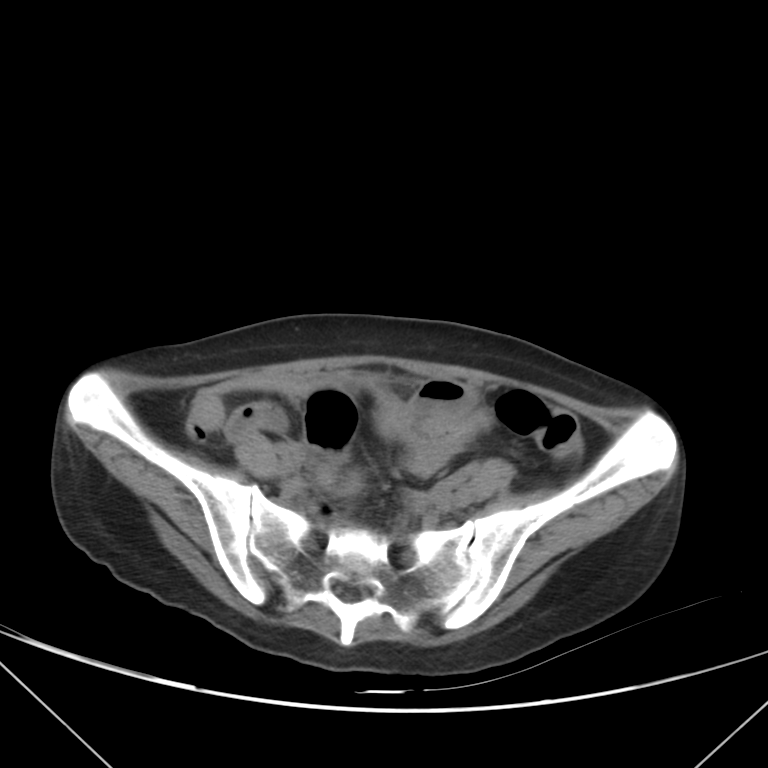
Abdominal CT; axial view; 768x768 px
Box edges are left/top/right/bottom in pixels.
prostate/uterus: left=410, top=494, right=427, bottom=509